Computed tomography, abdomen; axial view; abdomen soft-tissue window
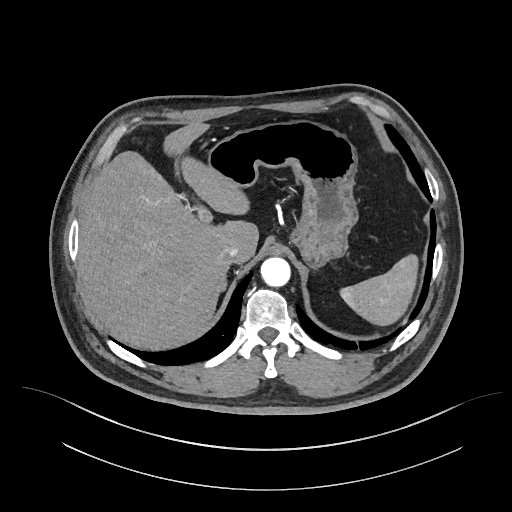 <organs><organ name="stomach" x1="206" y1="121" x2="357" y2="267"/><organ name="right adrenal gland" x1="222" y1="282" x2="228" y2="289"/><organ name="liver" x1="78" y1="122" x2="258" y2="351"/><organ name="spleen" x1="338" y1="253" x2="419" y2="326"/><organ name="aorta" x1="260" y1="257" x2="290" y2="286"/><organ name="inferior vena cava" x1="219" y1="245" x2="238" y2="264"/></organs>